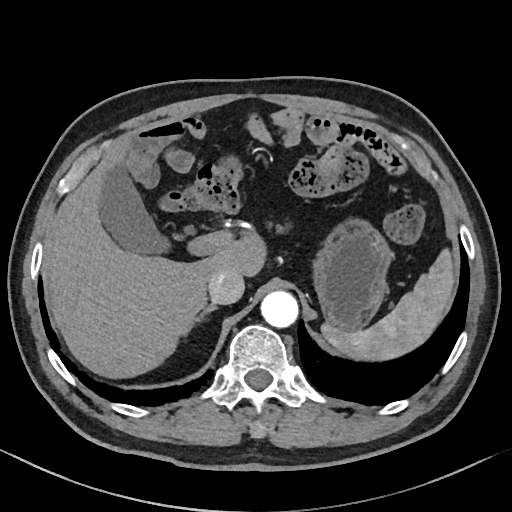
CT abdomen. axial view. 15 organs annotated in this scan (that count is for the whole scan; organs this slice misses have no box)
<organs><organ name="spleen" x1="321" y1="249" x2="455" y2="360"/><organ name="aorta" x1="260" y1="291" x2="298" y2="327"/><organ name="stomach" x1="312" y1="218" x2="393" y2="331"/><organ name="right adrenal gland" x1="196" y1="304" x2="217" y2="322"/><organ name="inferior vena cava" x1="208" y1="270" x2="244" y2="304"/><organ name="liver" x1="43" y1="139" x2="266" y2="378"/><organ name="gall bladder" x1="100" y1="164" x2="169" y2="254"/></organs>